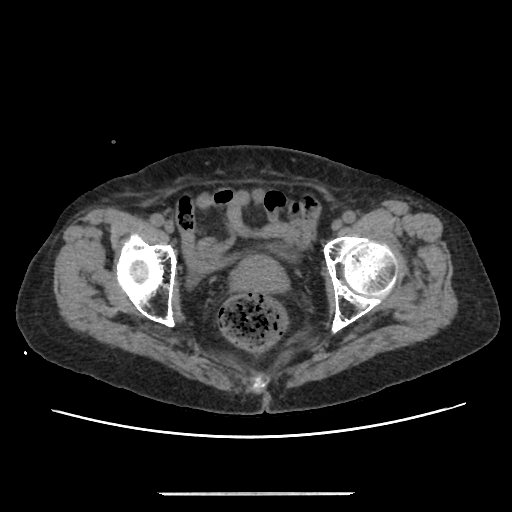

Computed tomography, abdomen. axial plane, index 63. soft-tissue window
Each box given as x1,y1,x2,y2.
Organ bounding boxes:
- prostate/uterus: x1=231, y1=255, x2=288, y2=292
- bladder: x1=272, y1=243, x2=298, y2=262